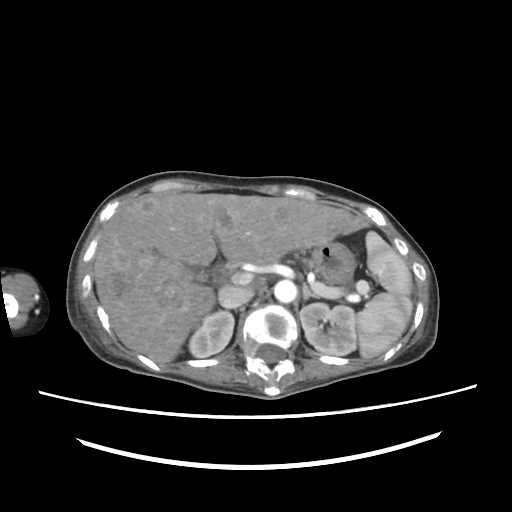 CT abdomen. Axial slice 63/111. Aquilion ONE scanner
Boxes: x1:y1:x2:y2 in pixels. Labeled organs on this slice: aorta at 274:279:296:302, liver at 93:193:365:363, inferior vena cava at 218:286:253:308, right kidney at 188:311:234:357, stomach at 311:241:355:283, left kidney at 300:303:356:355, spleen at 356:231:412:358, left adrenal gland at 302:283:317:300, gall bladder at 197:270:208:281.